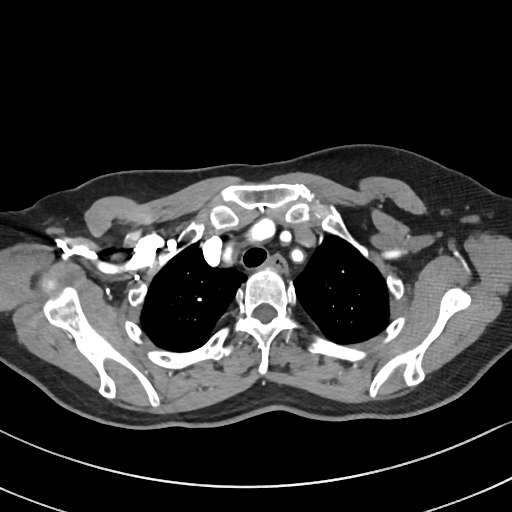
Chest-level slice from an abdominal CT that extends up into the chest. axial view. acquired on SOMATOM Force
On a slice this high in the chest, this dataset labels only the esophagus and the aorta, and each is boxed only where it is labeled; the heart, lungs and other chest structures are not labeled.
Each box given as x1,y1,x2,y2.
esophagus: x1=263, y1=254, x2=286, y2=270